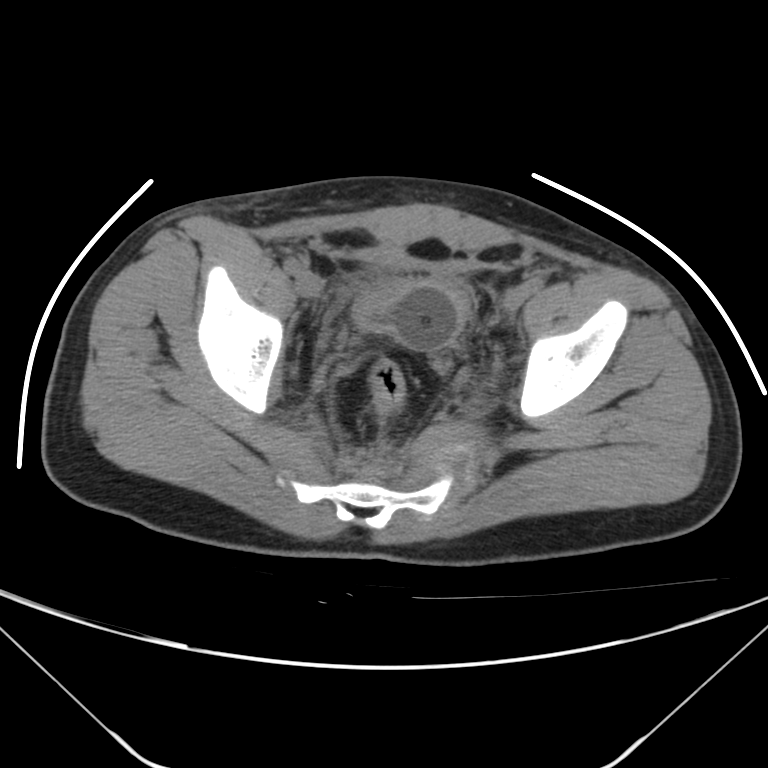
Computed tomography, abdomen. axial view. scan has 15 labeled organs (that count is for the whole scan; organs this slice misses have no box)
Coordinates as <box>x1,y1,x2,y2</box> in pixels.
bladder: <box>354,276,472,351</box>